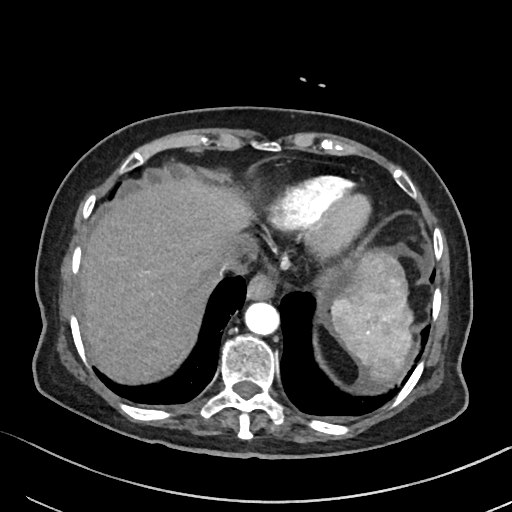 Abdominal CT — axial view — 512x512 px — scan has 15 labeled organs (that count is for the whole scan; organs this slice misses have no box)
Box edges are left/top/right/bottom in pixels.
Organ bounding boxes:
- spleen: left=330, top=252, right=414, bottom=385
- esophagus: left=247, top=273, right=274, bottom=299
- liver: left=81, top=179, right=252, bottom=386
- stomach: left=316, top=258, right=362, bottom=314
- aorta: left=243, top=302, right=278, bottom=334
- inferior vena cava: left=217, top=244, right=244, bottom=274